CT, abdomen/pelvis; axial view; soft-tissue window (W 400 / L 40); 512x512 px
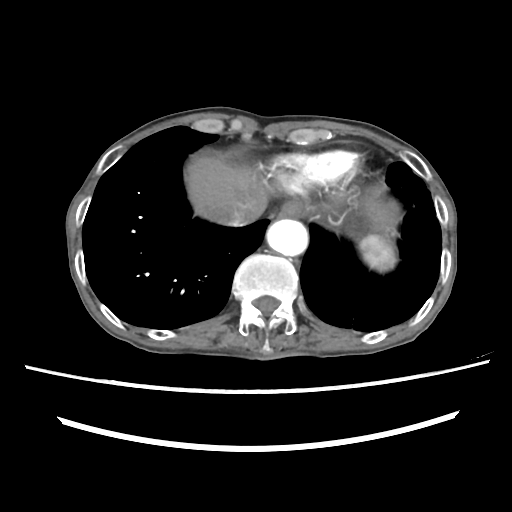

Bounding boxes in pixels, one row per box: x1, y1 is the top-left corner and x2, y2 the bottom-right.
| organ | x1 | y1 | x2 | y2 |
|---|---|---|---|---|
| spleen | 359 | 235 | 396 | 271 |
| esophagus | 278 | 202 | 302 | 217 |
| liver | 185 | 156 | 395 | 227 |
| stomach | 315 | 194 | 382 | 240 |
| aorta | 266 | 219 | 308 | 256 |
| inferior vena cava | 209 | 205 | 261 | 226 |